CT of the abdomen reaching into the lower chest, slice just above the liver and spleen — axial view — acquired on SOMATOM Force — 15 organs annotated in this scan (a whole-scan count: organs this slice does not pass through have no box)
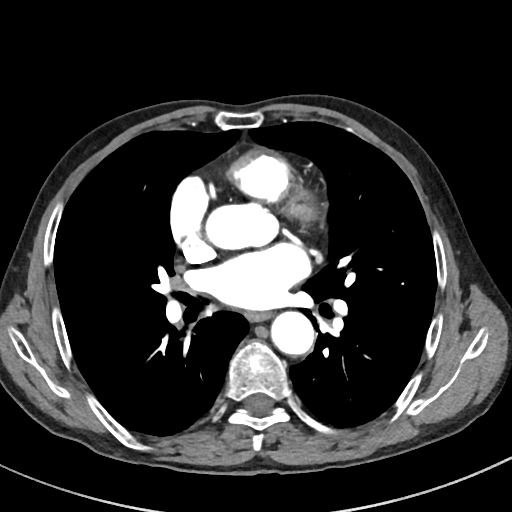
The heart and lungs are never labeled in this dataset, so they have no box on this slice.
Boxes: x1 y1 x2 y2 (pixel coords, space-separated).
Organ bounding boxes:
- aorta: 271 311 314 355
- esophagus: 246 312 271 321